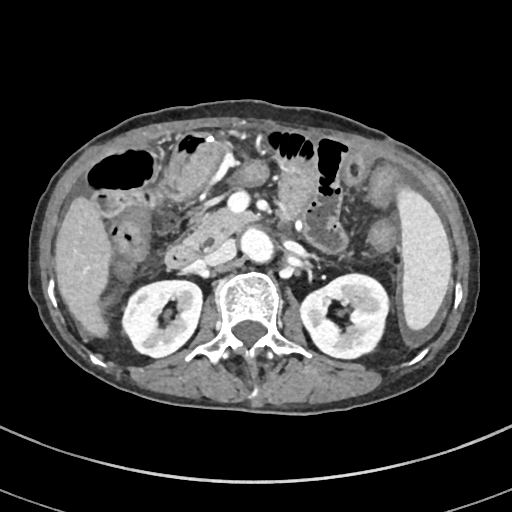

CT, abdomen/pelvis · axial view · 512x512 px
<organs><organ name="spleen" x1="396" y1="186" x2="451" y2="330"/><organ name="right kidney" x1="122" y1="280" x2="201" y2="357"/><organ name="left kidney" x1="300" y1="274" x2="388" y2="358"/><organ name="liver" x1="54" y1="196" x2="112" y2="337"/><organ name="aorta" x1="241" y1="228" x2="273" y2="262"/><organ name="inferior vena cava" x1="204" y1="240" x2="236" y2="265"/><organ name="pancreas" x1="185" y1="209" x2="257" y2="246"/><organ name="duodenum" x1="164" y1="241" x2="200" y2="268"/></organs>